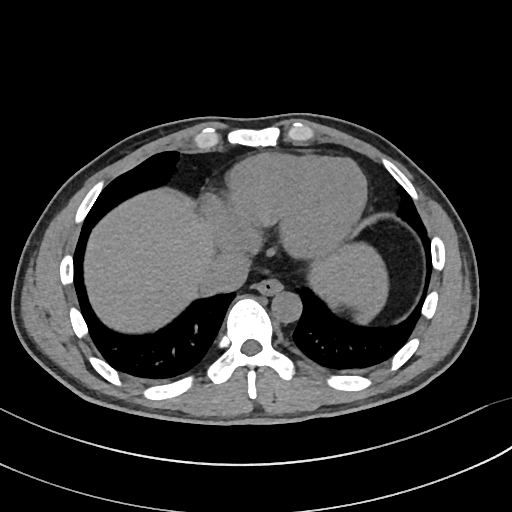
Computed tomography, abdomen · axial plane, index 219 · 512x512 px · acquired on SOMATOM Force · 15 organs annotated in this scan (counted over the whole 3D scan, not this slice; an organ is boxed only where this slice passes through it)
Coordinates as <box>x1,y1,x2,y2</box> in pixels.
Organ bounding boxes:
- spleen: <box>355,312,370,322</box>
- liver: <box>84,190,388,333</box>
- inferior vena cava: <box>200,251,250,294</box>
- esophagus: <box>254,278,282,295</box>
- aorta: <box>271,291,301,322</box>